Computed tomography, abdomen · axial view
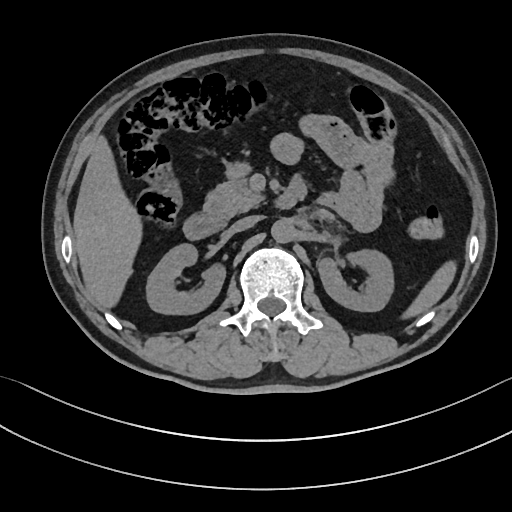

Box edges are left/top/right/bottom in pixels.
Organ bounding boxes:
- duodenum: left=184, top=175, right=305, bottom=238
- right kidney: left=145, top=242, right=224, bottom=313
- spleen: left=401, top=265, right=453, bottom=319
- inferior vena cava: left=229, top=215, right=260, bottom=233
- left kidney: left=318, top=248, right=395, bottom=311
- liver: left=74, top=136, right=142, bottom=307
- pancreas: left=206, top=164, right=265, bottom=217
- aorta: left=271, top=218, right=295, bottom=242